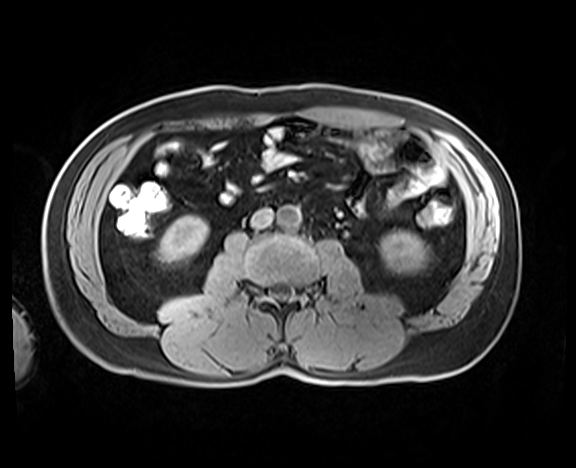
Abdominal MR; axial view; 1st–99th percentile window; scan has 13 labeled organs (counted over the whole 3D scan, not this slice; an organ is boxed only where this slice passes through it)
<organs><organ name="right kidney" x1="158" y1="215" x2="207" y2="262"/><organ name="left kidney" x1="380" y1="231" x2="426" y2="274"/><organ name="aorta" x1="277" y1="205" x2="301" y2="228"/><organ name="inferior vena cava" x1="251" y1="209" x2="274" y2="228"/></organs>